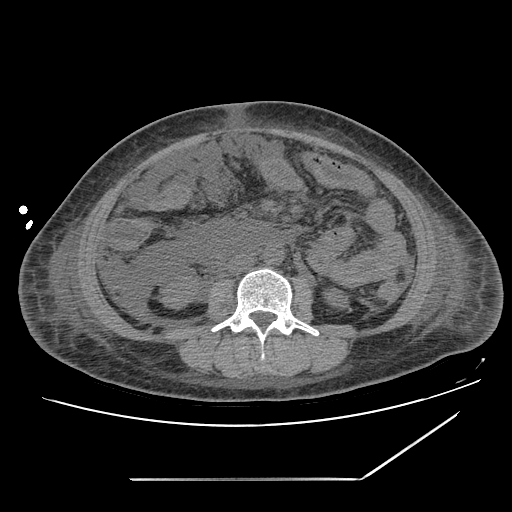

Computed tomography, abdomen; axial view; soft-tissue window (W 400 / L 40)
Boxes are (x1, y1, x2, y2) in pixels.
right kidney: (159, 272, 200, 309)
left kidney: (324, 289, 348, 306)
aorta: (262, 245, 283, 264)
inferior vena cava: (228, 254, 254, 274)